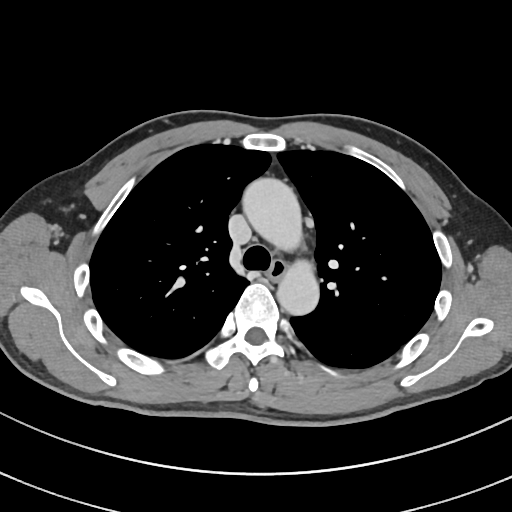
Chest-level CT slice, above the liver and spleen. Axial slice 243/298. soft-tissue window. 512x512 px
At this level of the chest no structure but the esophagus and the aorta has a label in this dataset, and those two are boxed only where they are labeled.
Bounding boxes as [x1, y1, x2, y2] in pixel coordinates.
Organ bounding boxes:
- esophagus: [268, 261, 289, 280]
- aorta: [241, 177, 300, 246]
- aorta: [277, 266, 319, 316]